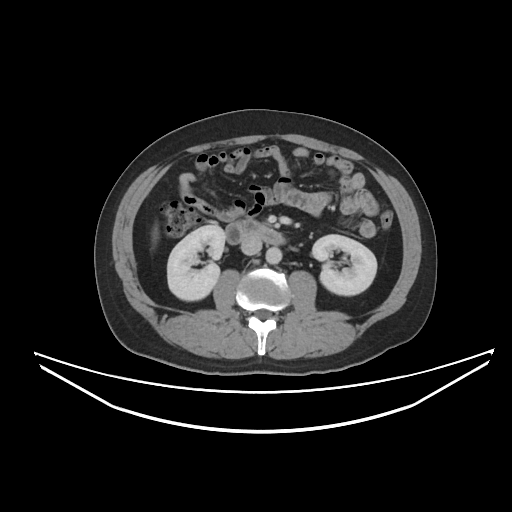
CT abdomen · axial view · abdomen soft-tissue window · Aquilion ONE scanner · scan has 15 labeled organs (a whole-scan count: organs this slice does not pass through have no box)
{"organs":{"duodenum":[225,220,284,245],"left kidney":[312,234,376,295],"inferior vena cava":[241,236,262,255],"aorta":[265,247,282,264],"right kidney":[167,225,225,300]}}